Computed tomography, abdomen; axial view; soft-tissue window
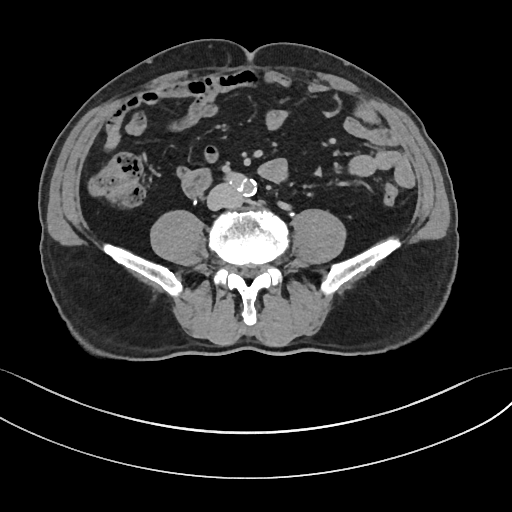 Boxes: x1:y1:x2:y2 in pixels.
aorta: 224:174:256:196
inferior vena cava: 207:184:242:209
duodenum: 183:169:211:196